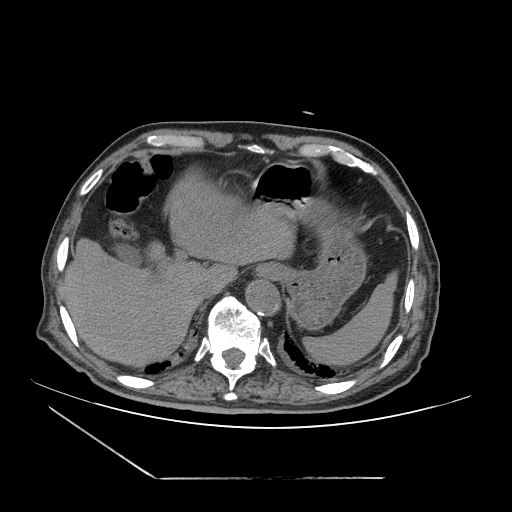
Computed tomography, abdomen; axial plane, index 155; 15 organs annotated in this scan (that count is for the whole scan; organs this slice misses have no box)
{"organs":{"aorta":[246,281,281,316],"liver":[64,175,294,364],"spleen":[304,273,398,363],"gall bladder":[117,242,141,266],"esophagus":[253,264,280,280],"inferior vena cava":[191,279,221,299],"stomach":[253,164,365,330]}}